CT of the abdomen extending into the chest, slice through the chest · axial view · W/L 400/40 HU · acquired on SOMATOM Force · 15 organs annotated in this scan (counted over the whole 3D scan, not this slice; an organ is boxed only where this slice passes through it)
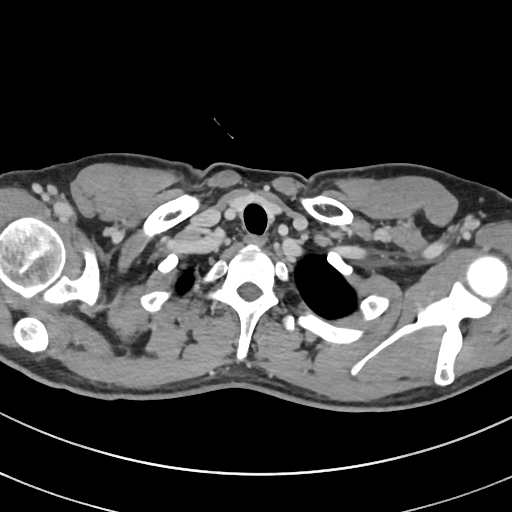
At this level of the chest no structure but the esophagus and the aorta has a label in this dataset, and those two are boxed only where they are labeled.
<organs><organ name="esophagus" x1="243" y1="234" x2="266" y2="244"/></organs>